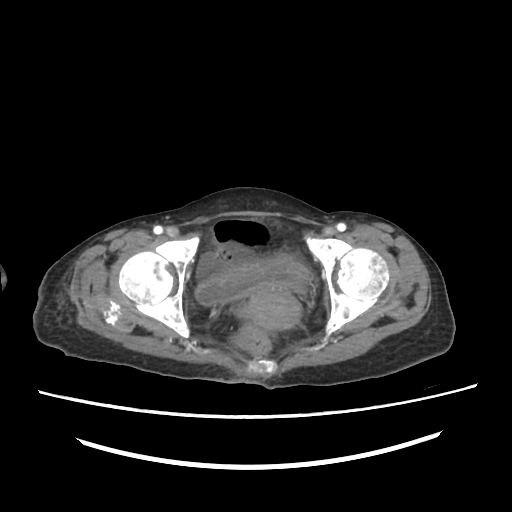
Abdominal CT — axial view — 512x512 px
<organs><organ name="bladder" x1="195" y1="255" x2="308" y2="304"/><organ name="prostate/uterus" x1="245" y1="286" x2="300" y2="329"/></organs>